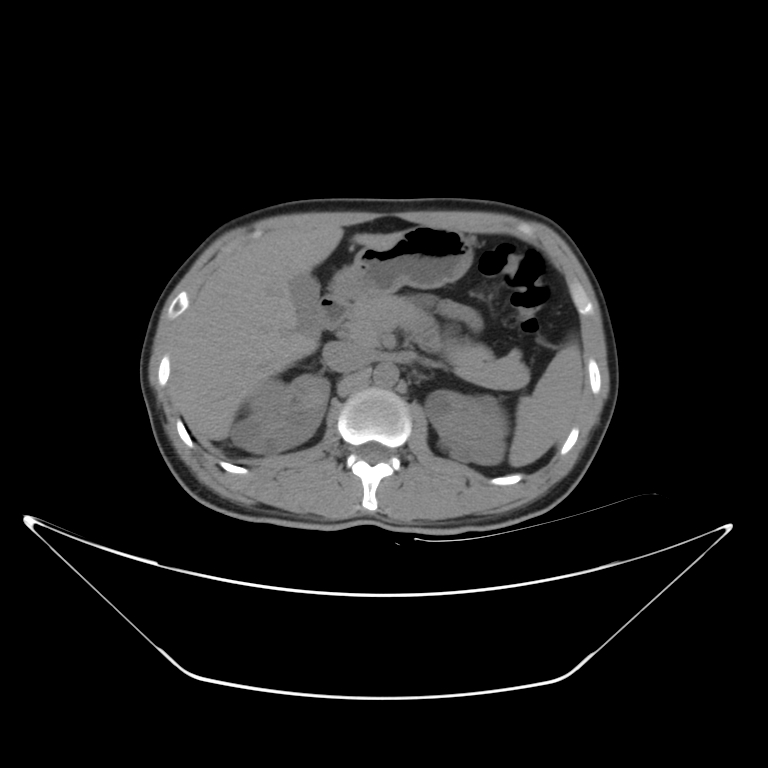
Abdominal CT — axial plane, index 67 — abdomen soft-tissue window — 768x768 px — 15 organs annotated in this scan (a whole-scan count: organs this slice does not pass through have no box)
{"organs":{"spleen":[509,338,582,467],"right kidney":[230,376,329,449],"left kidney":[424,392,504,465],"gall bladder":[290,274,319,333],"liver":[173,217,401,439],"stomach":[328,226,472,303],"aorta":[371,365,401,388],"inferior vena cava":[323,339,372,372],"pancreas":[336,290,494,365],"left adrenal gland":[422,361,447,373],"duodenum":[321,298,348,330]}}